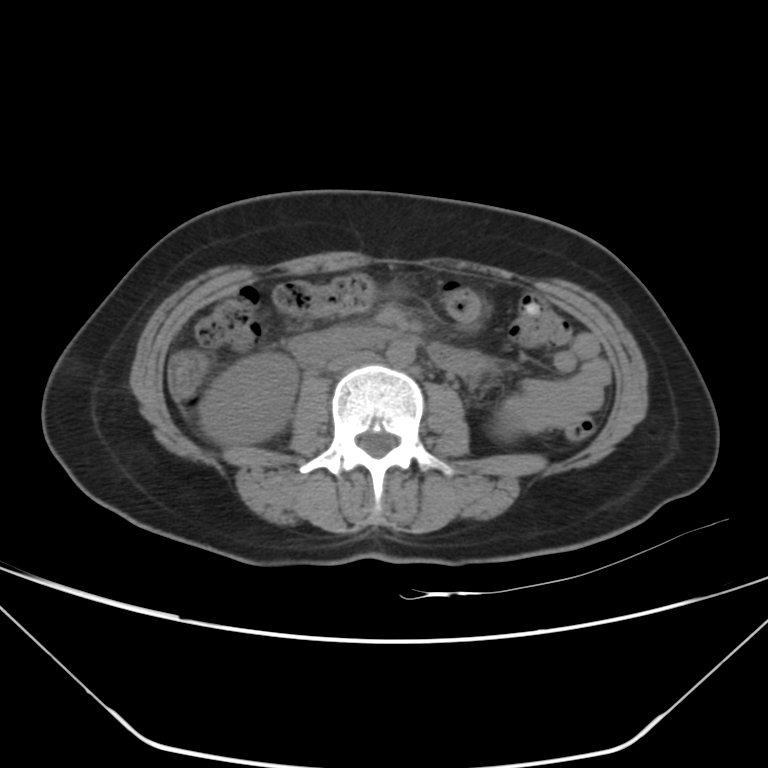
CT, abdomen/pelvis — axial view
Boxes: x1:y1:x2:y2 in pixels.
Organ bounding boxes:
- right kidney: 200:354:297:444
- aorta: 386:340:415:366
- inferior vena cava: 326:350:373:371
- duodenum: 289:329:395:364